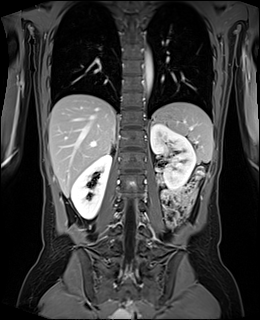
Abdominal MRI. coronal view. 260x320 px. Prisma scanner
Boxes: x1:y1:x2:y2 in pixels.
Organ bounding boxes:
- spleen: 158:102:213:162
- right kidney: 71:153:111:219
- left kidney: 150:124:196:190
- liver: 49:94:115:197
- stomach: 152:111:171:123
- aorta: 145:50:152:94
- right adrenal gland: 108:142:115:152